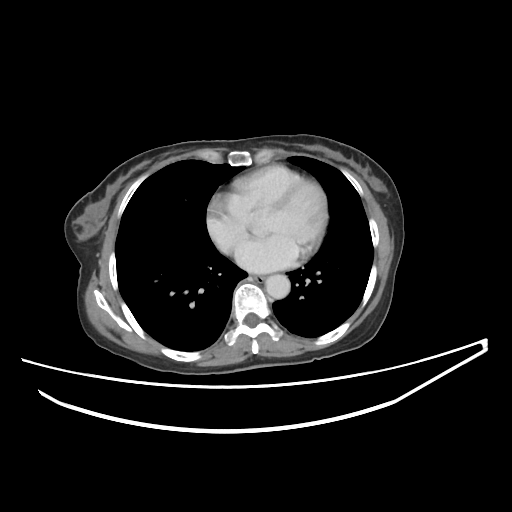
CT of the abdomen reaching into the lower chest, slice just above the liver and spleen · axial view · soft-tissue window · 512x512 px
Of the structures in the chest, this dataset labels only the esophagus, the aorta and the inferior vena cava; the heart and lungs have no label.
Box edges are left/top/right/bottom in pixels.
aorta: left=265, top=274, right=290, bottom=299
esophagus: left=250, top=274, right=265, bottom=281